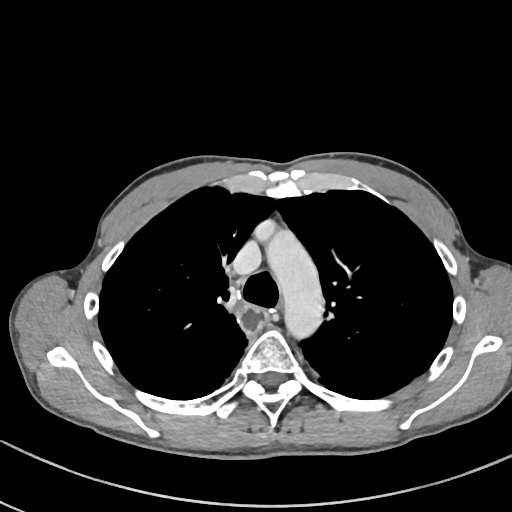 Abdominal CT reaching into the chest; this slice is in the chest · axial view · acquired on SOMATOM Force · scan has 15 labeled organs (counted over the whole 3D scan, not this slice; an organ is boxed only where this slice passes through it)
On a slice this high in the chest, this dataset labels only the esophagus and the aorta, and each is boxed only where it is labeled; the heart, lungs and other chest structures are not labeled.
Boxes: x1 y1 x2 y2 (pixel coords, space-separated).
esophagus: 238 306 268 333
aorta: 264 226 323 341